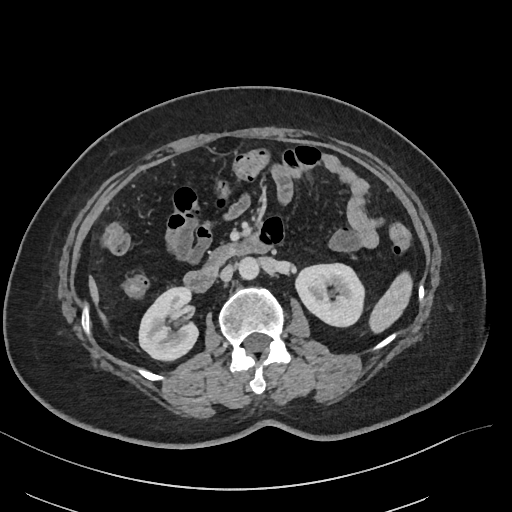 Computed tomography, abdomen. axial view. 512x512 px. SOMATOM Force scanner
One row per box, in pixels: columns x1 and y1 give the top-left corner, x2 and y2 the bottom-right.
| organ | x1 | y1 | x2 | y2 |
|---|---|---|---|---|
| spleen | 370 | 273 | 412 | 332 |
| right kidney | 139 | 288 | 197 | 361 |
| left kidney | 294 | 264 | 363 | 326 |
| liver | 87 | 274 | 108 | 327 |
| aorta | 238 | 258 | 259 | 280 |
| inferior vena cava | 220 | 265 | 233 | 281 |
| pancreas | 204 | 245 | 235 | 267 |
| duodenum | 182 | 240 | 271 | 292 |